CT, abdomen/pelvis — axial view — 512x512 px — 54-year-old male patient
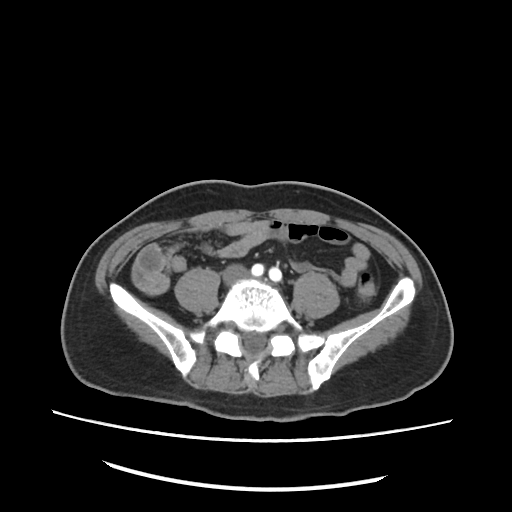 Boxes are (x1, y1, x2, y2) in pixels.
inferior vena cava: (221, 266, 246, 281)